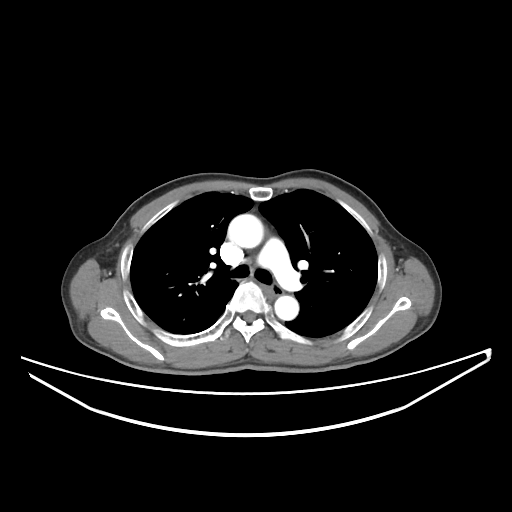 Chest-level slice from an abdominal CT that extends up into the chest. axial view. 62-year-old male patient. Aquilion ONE scanner
On a slice this high in the chest, this dataset labels only the esophagus and the aorta, and each is boxed only where it is labeled; the heart, lungs and other chest structures are not labeled. Bounding boxes as [x1, y1, x2, y2] in pixel coordinates. Labeled organs on this slice: esophagus at [264, 285, 283, 296], aorta at [228, 214, 263, 248], aorta at [274, 295, 298, 320].